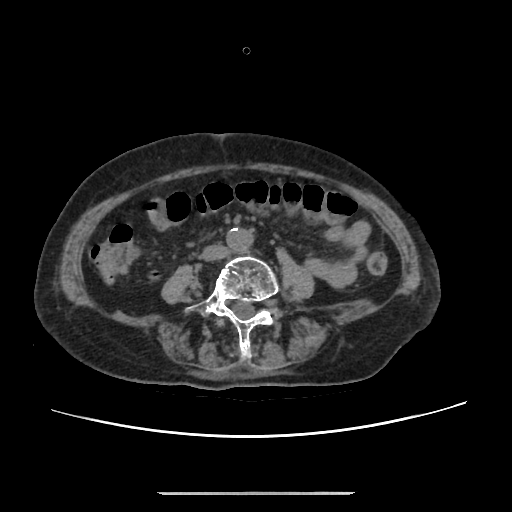
CT abdomen · axial plane, index 171 · acquired on SOMATOM Force
{"organs":{"inferior vena cava":[202,245,228,260],"aorta":[226,228,254,251]}}